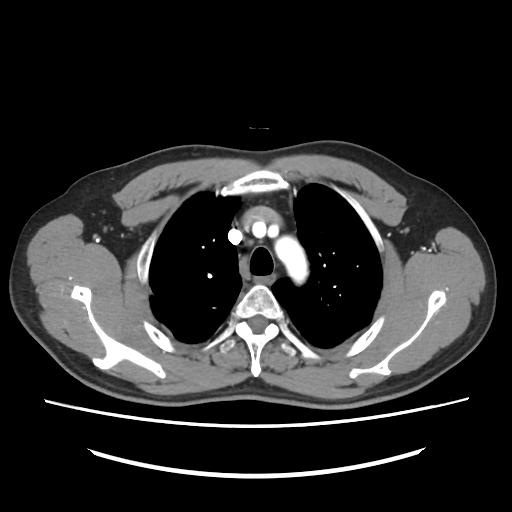 Abdominal CT reaching into the chest; this slice is in the chest — Axial slice 121/134 — 512x512 px
At this level of the chest this dataset labels only the esophagus and the aorta, and each is boxed only where it is labeled; the heart and lungs are never labeled.
Boxes: x1:y1:x2:y2 in pixels.
esophagus: 254:274:274:285
aorta: 275:236:308:283